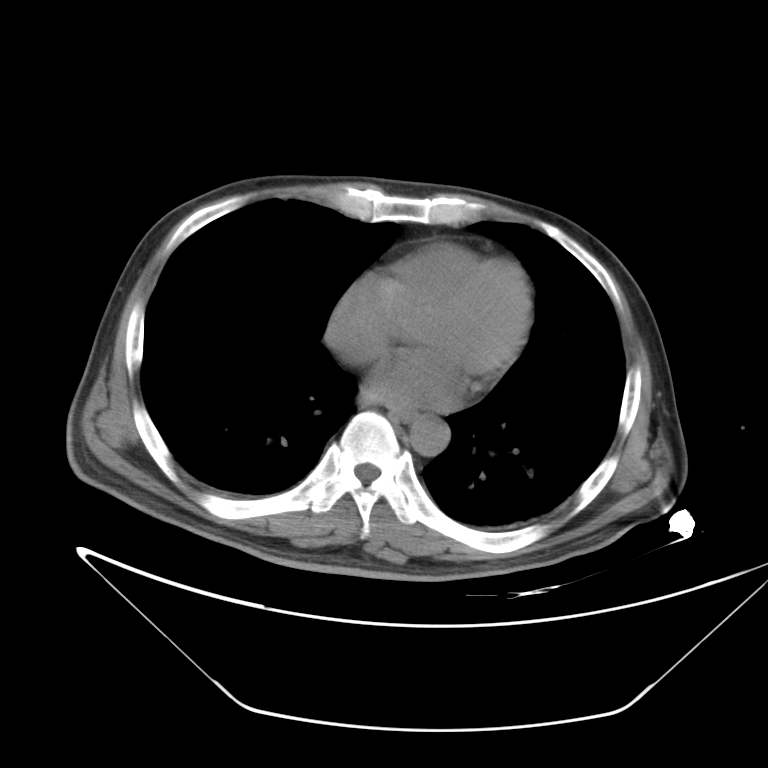 CT of the abdomen reaching into the lower chest, slice just above the liver and spleen; Axial slice 101/107; soft-tissue window, W/L 400/40; 768x768 px; 15 organs annotated in this scan (counted over the whole 3D scan, not this slice; an organ is boxed only where this slice passes through it)
The heart and lungs are never labeled in this dataset, so they have no box on this slice. Boxes are (x1, y1, x2, y2) in pixels. The annotated organs in this slice are: esophagus at (390, 406, 419, 421), aorta at (410, 417, 449, 456).